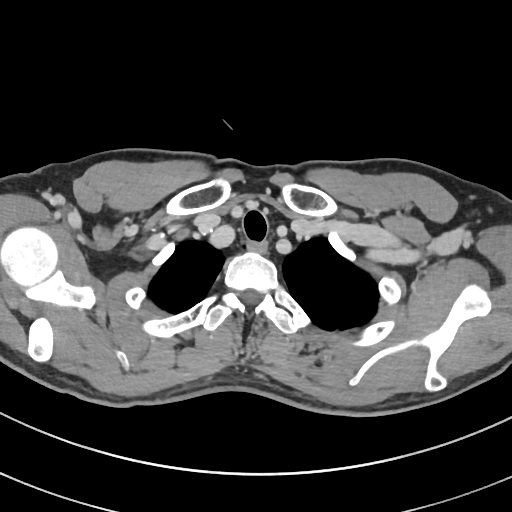
Chest-level slice from an abdominal CT that extends up into the chest; axial view; soft-tissue window; acquired on SOMATOM Force
At this level of the chest no structure but the esophagus and the aorta has a label in this dataset, and those two are boxed only where they are labeled.
Boxes are (x1, y1, x2, y2) in pixels.
esophagus: (247, 240, 268, 253)